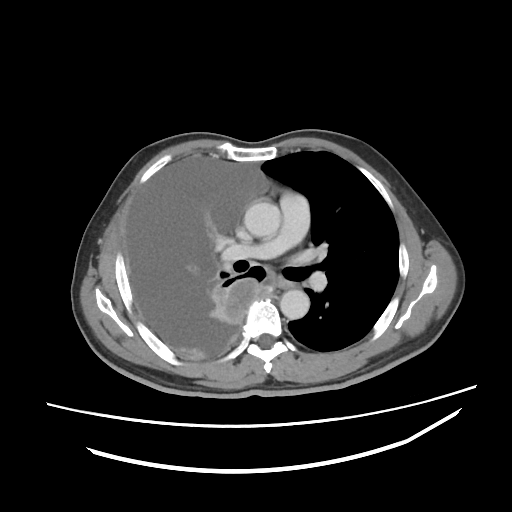
Abdominal CT reaching into the chest; this slice is in the chest. axial view. 512x512 px. 49-year-old male patient
At this level of the chest this dataset labels only the esophagus and the aorta, and each is boxed only where it is labeled; the heart and lungs are never labeled.
Bounding boxes in pixels, one row per box: x1, y1 is the top-left corner and x2, y2 the bottom-right.
| organ | x1 | y1 | x2 | y2 |
|---|---|---|---|---|
| aorta | 244 | 200 | 281 | 237 |
| aorta | 279 | 289 | 309 | 319 |
| esophagus | 277 | 279 | 296 | 289 |